CT of the abdomen extending into the chest, slice through the chest; axial view; soft-tissue window (W 400 / L 40); 512x512 px; scan has 13 labeled organs (counted over the whole 3D scan, not this slice; an organ is boxed only where this slice passes through it)
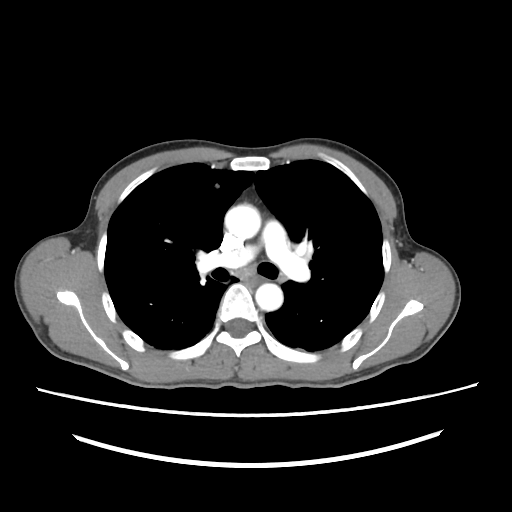 At this level of the chest this dataset labels only the esophagus and the aorta, and each is boxed only where it is labeled; the heart and lungs are never labeled. Box edges are left/top/right/bottom in pixels. The annotated organs in this slice are: aorta at left=226, top=204, right=259, bottom=237, aorta at left=255, top=284, right=281, bottom=310.